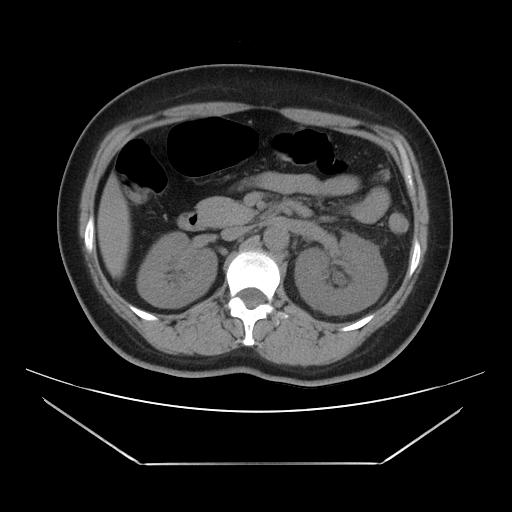 Computed tomography, abdomen. axial view. soft-tissue window (W 400 / L 40)
Organ boxes in pixel coordinates; each row gives the top-left (x1, y1) and bottom-right (x2, y2) corners.
| organ | x1 | y1 | x2 | y2 |
|---|---|---|---|---|
| right kidney | 136 | 232 | 217 | 307 |
| left kidney | 295 | 233 | 387 | 314 |
| liver | 97 | 173 | 130 | 278 |
| aorta | 263 | 225 | 288 | 250 |
| inferior vena cava | 221 | 226 | 250 | 240 |
| pancreas | 197 | 197 | 255 | 226 |
| duodenum | 177 | 200 | 311 | 230 |